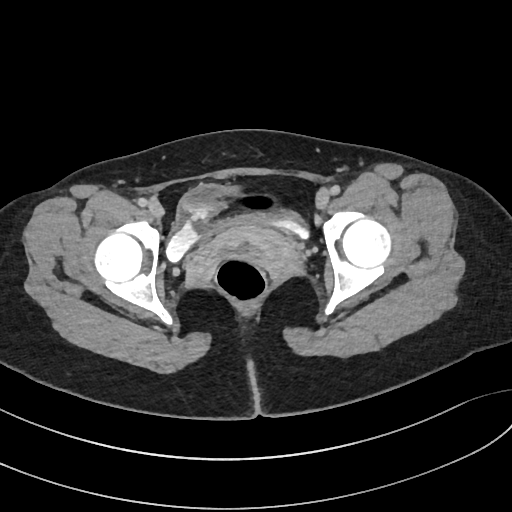

Computed tomography, abdomen — Axial slice 38/219 — 15 organs annotated in this scan (counted over the whole 3D scan, not this slice; an organ is boxed only where this slice passes through it)
{"organs":{"bladder":[165,184,309,262],"prostate/uterus":[211,226,300,277]}}